CT abdomen. axial view. 512x512 px. SOMATOM Force scanner
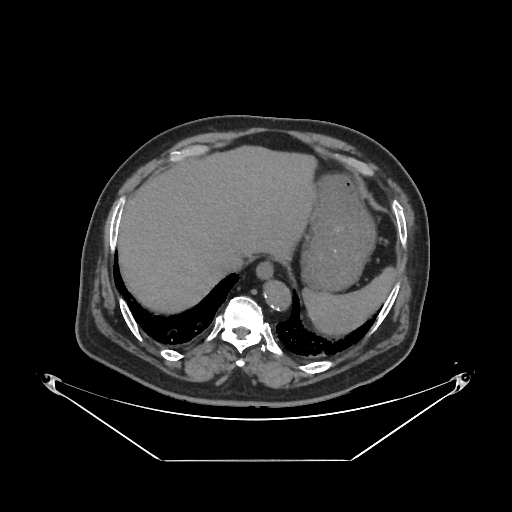
Boxes: x1 y1 x2 y2 (pixel coords, space-separated). 6 labeled organs on this slice — spleen at 303 268 397 335; esophagus at 256 258 273 277; liver at 116 144 314 312; stomach at 301 175 376 291; aorta at 262 278 290 308; inferior vena cava at 220 254 240 273.